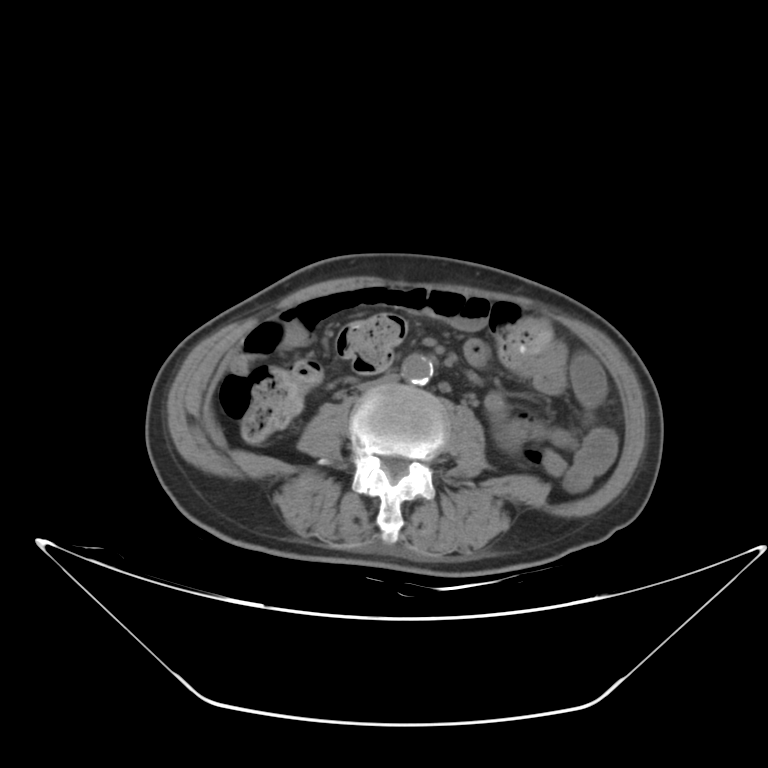
Computed tomography, abdomen. axial plane, index 50. 768x768 px. 69-year-old male patient. scan has 15 labeled organs (that count is for the whole scan; organs this slice misses have no box)
Coordinates as <box>x1,y1,x2,y2</box> in pixels. Labeled organs on this slice: inferior vena cava at <box>359,375,400,393</box>, left kidney at <box>494,424,519,452</box>, aorta at <box>402,353,435,384</box>.